CT, abdomen/pelvis — axial view
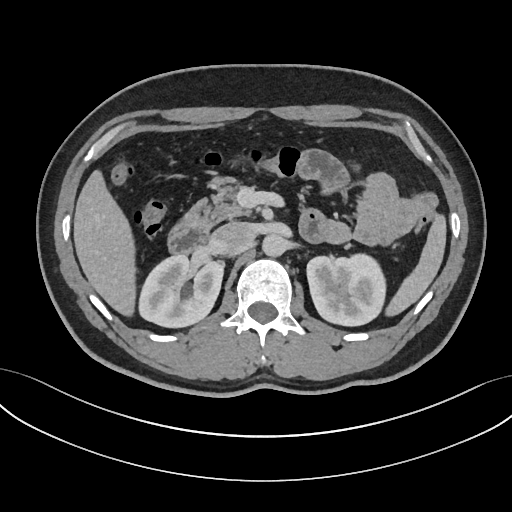
{"organs":{"liver":[73,169,135,316],"pancreas":[183,175,251,228],"left kidney":[306,254,386,326],"spleen":[384,214,446,316],"duodenum":[167,214,207,255],"aorta":[261,234,286,256],"right kidney":[140,256,224,327],"inferior vena cava":[209,222,255,254]}}